Chest-level CT slice, above the liver and spleen · axial view · 512x512 px
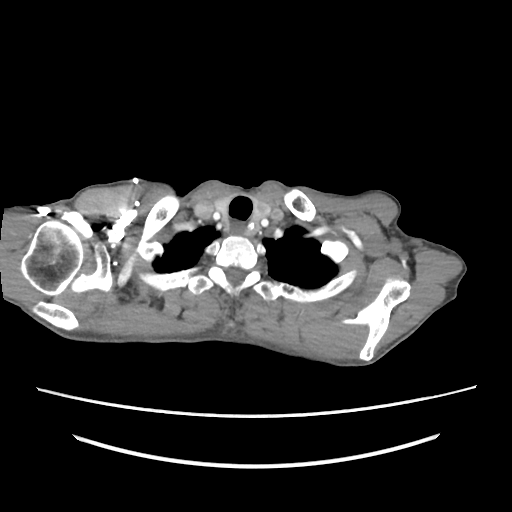 At this level of the chest this dataset labels only the esophagus and the aorta, and each is boxed only where it is labeled; the heart and lungs are never labeled.
{"organs":{"esophagus":[232,226,245,235]}}